Lower-chest slice from an abdominal CT, just above the liver and spleen — axial plane, index 82
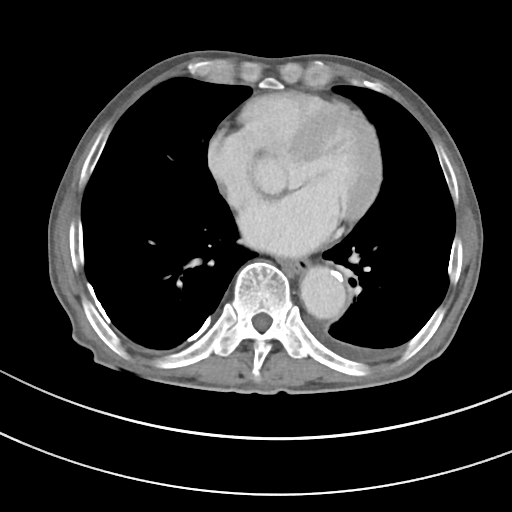 The heart and lungs are never labeled in this dataset, so they have no box on this slice.
Bounding boxes in pixels, one row per box: x1, y1 is the top-left corner and x2, y2 the bottom-right.
| organ | x1 | y1 | x2 | y2 |
|---|---|---|---|---|
| esophagus | 281 | 260 | 308 | 274 |
| aorta | 300 | 266 | 346 | 319 |